Abdominal CT — axial view — W/L 400/40 HU — scan has 15 labeled organs (a whole-scan count: organs this slice does not pass through have no box)
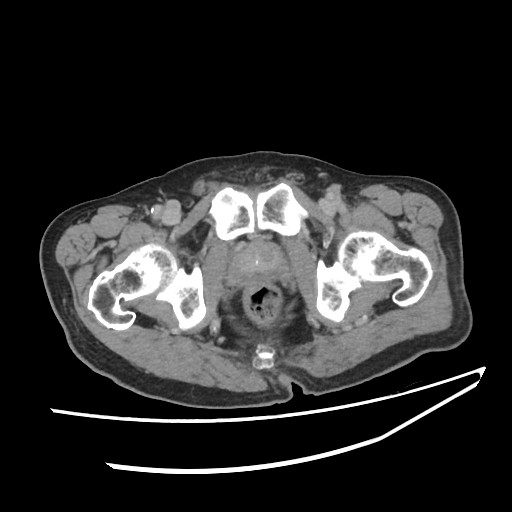

<organs><organ name="prostate/uterus" x1="229" y1="241" x2="289" y2="284"/></organs>